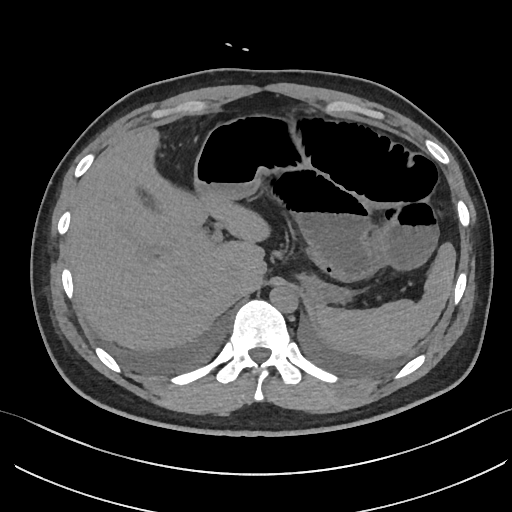 Abdominal CT · axial view · soft-tissue window
<organs><organ name="stomach" x1="195" y1="115" x2="351" y2="304"/><organ name="spleen" x1="315" y1="242" x2="455" y2="357"/><organ name="aorta" x1="270" y1="286" x2="298" y2="312"/><organ name="liver" x1="67" y1="129" x2="267" y2="351"/><organ name="inferior vena cava" x1="225" y1="269" x2="242" y2="293"/></organs>